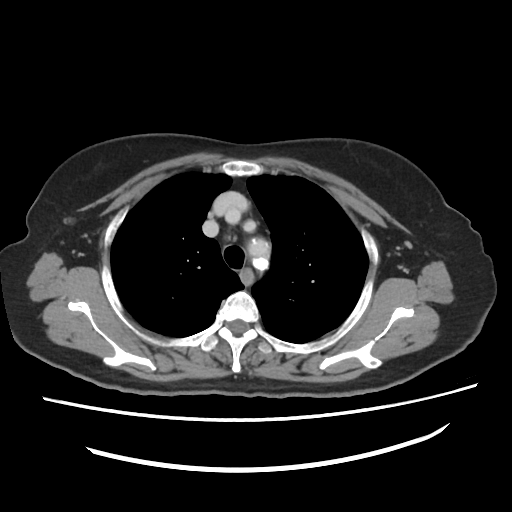

Abdominal CT reaching into the chest; this slice is in the chest · axial view · soft-tissue window (W 400 / L 40) · scan has 14 labeled organs (that count is for the whole scan; organs this slice misses have no box)
At this level of the chest this dataset labels only the esophagus and the aorta, and each is boxed only where it is labeled; the heart and lungs are never labeled.
One row per box, in pixels: columns x1 and y1 give the top-left corner, x2 and y2 the bottom-right.
| organ | x1 | y1 | x2 | y2 |
|---|---|---|---|---|
| esophagus | 239 | 269 | 253 | 284 |
| aorta | 248 | 237 | 271 | 269 |